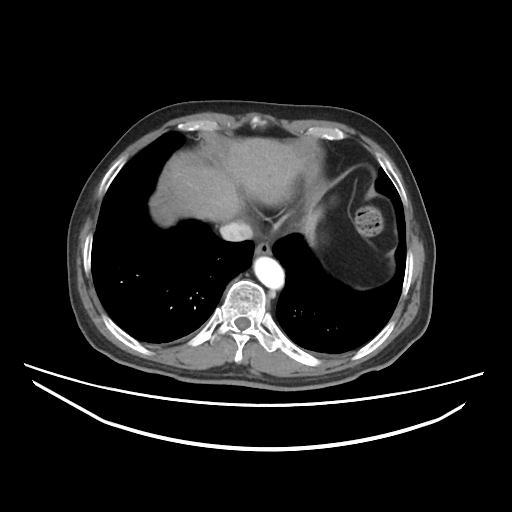 CT, abdomen/pelvis — axial plane, index 83 — soft-tissue window
One row per box, in pixels: columns x1 and y1 give the top-left corner, x2 and y2 the bottom-right.
| organ | x1 | y1 | x2 | y2 |
|---|---|---|---|---|
| stomach | 305 | 210 | 320 | 240 |
| esophagus | 254 | 240 | 271 | 256 |
| liver | 150 | 137 | 311 | 225 |
| aorta | 254 | 256 | 284 | 288 |
| inferior vena cava | 219 | 222 | 252 | 241 |